Computed tomography, abdomen. Axial slice 182/302. soft-tissue window. 15 organs annotated in this scan (a whole-scan count: organs this slice does not pass through have no box)
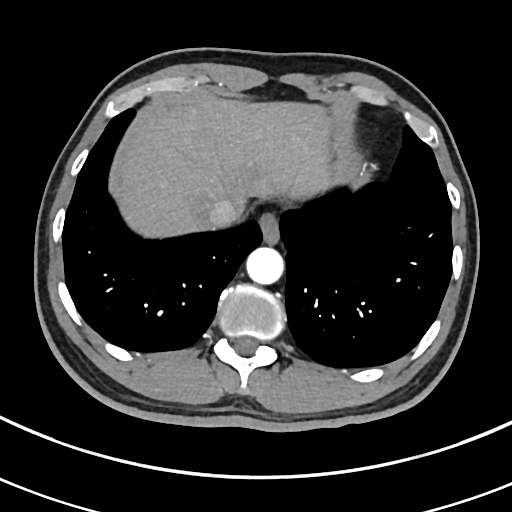
{"organs":{"aorta":[246,247,283,284],"esophagus":[257,212,279,242],"liver":[121,97,330,237],"inferior vena cava":[207,200,236,228]}}